Magnetic resonance imaging, abdomen · coronal view
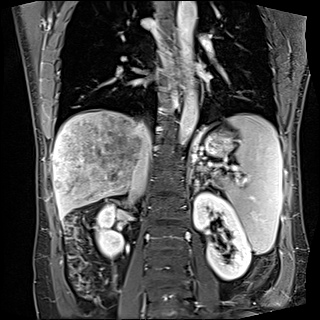
Box edges are left/top/right/bottom in pixels.
Organ bounding boxes:
- left kidney: left=193, top=192, right=251, bottom=280
- esophagus: left=173, top=51, right=182, bottom=95
- right kidney: left=96, top=204, right=123, bottom=258
- stomach: left=204, top=132, right=232, bottom=155
- inferior vena cava: left=130, top=121, right=151, bottom=194
- liver: left=52, top=109, right=151, bottom=219
- left adrenal gland: left=192, top=179, right=199, bottom=197
- spleen: left=218, top=113, right=282, bottom=253
- aorta: left=177, top=1, right=196, bottom=63
- aorta: left=178, top=72, right=197, bottom=144